CT, abdomen/pelvis — axial view — soft-tissue window (W 400 / L 40) — scan has 15 labeled organs (counted over the whole 3D scan, not this slice; an organ is boxed only where this slice passes through it)
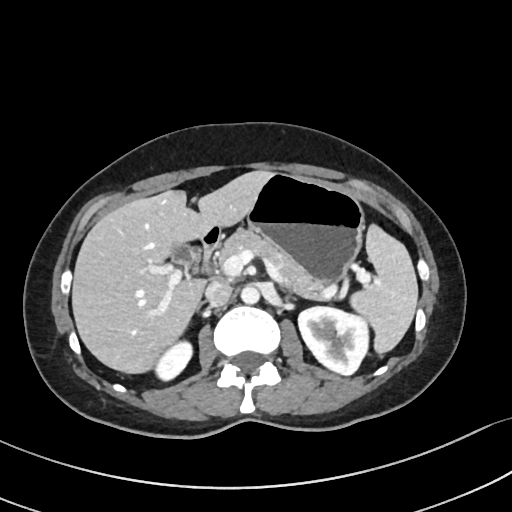 Coordinates as <box>x1,y1,x2,y2</box> in pixels.
pancreas: <box>218,228,328,299</box>
liver: <box>72,170,271,373</box>
right kidney: <box>155,340,192,380</box>
duodenum: <box>201,227,222,272</box>
right adrenal gland: <box>196,301,207,311</box>
gall bladder: <box>172,244,196,265</box>
left kidney: <box>298,306,368,375</box>
aorta: <box>240,285,259,304</box>
inferior vena cava: <box>205,281,232,305</box>
stomach: <box>246,173,364,284</box>
spleen: <box>350,224,418,354</box>